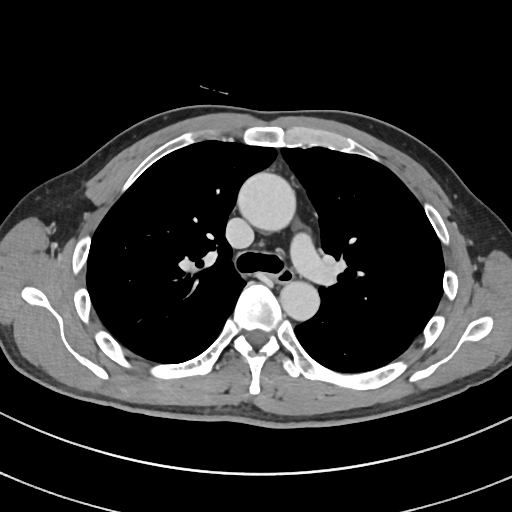

Abdominal CT reaching into the chest; this slice is in the chest · axial view · soft-tissue window, W/L 400/40 · 512x512 px
At this level of the chest no structure but the esophagus and the aorta has a label in this dataset, and those two are boxed only where they are labeled.
<organs><organ name="esophagus" x1="272" y1="268" x2="293" y2="283"/><organ name="aorta" x1="237" y1="172" x2="296" y2="231"/><organ name="aorta" x1="280" y1="280" x2="319" y2="320"/></organs>